CT abdomen; axial view; 768x768 px; 15 organs annotated in this scan (that count is for the whole scan; organs this slice misses have no box)
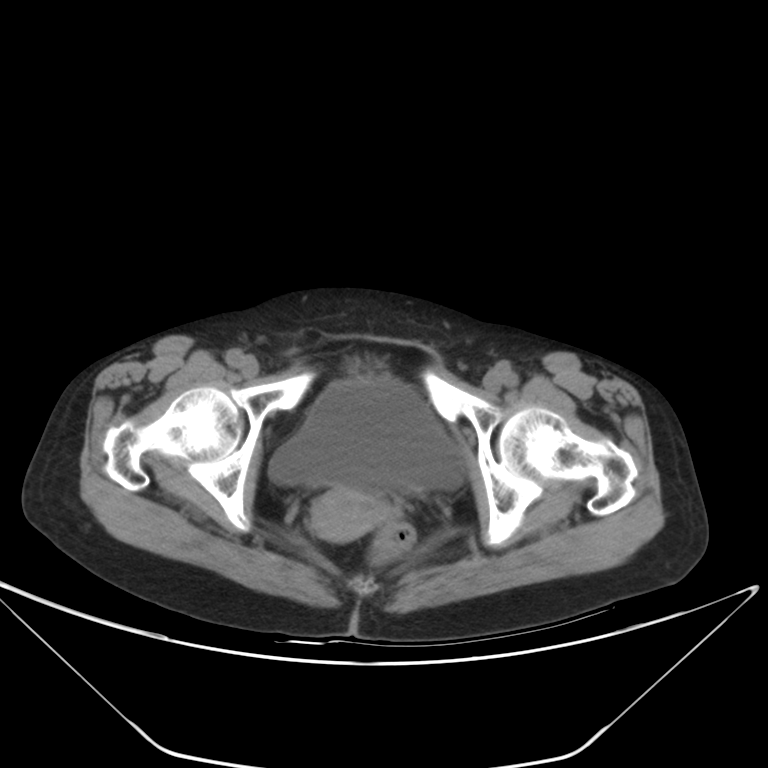

One row per box, in pixels: columns x1 and y1 give the top-left corner, x2 and y2 the bottom-right.
| organ | x1 | y1 | x2 | y2 |
|---|---|---|---|---|
| bladder | 268 | 376 | 462 | 494 |
| prostate/uterus | 310 | 487 | 392 | 541 |